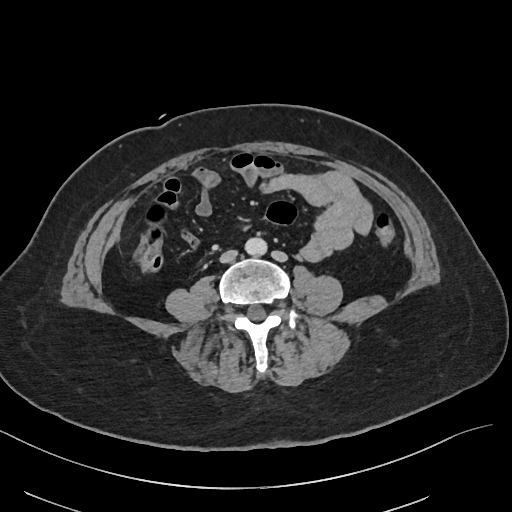 Computed tomography, abdomen. axial plane, index 111
<organs><organ name="aorta" x1="244" y1="238" x2="267" y2="255"/><organ name="inferior vena cava" x1="220" y1="250" x2="237" y2="263"/></organs>